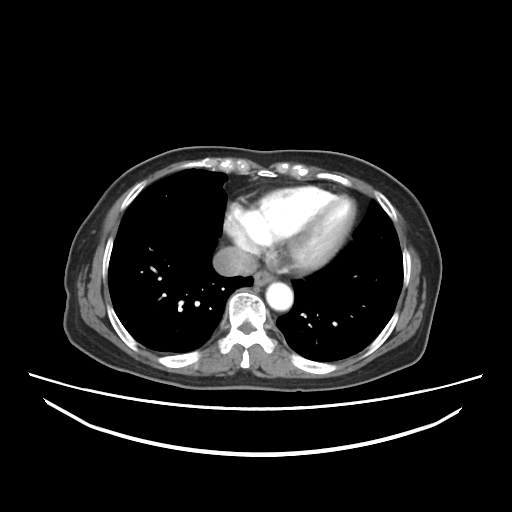
Abdominal CT; this slice is in the lower chest, just above the liver. axial view. soft-tissue window. scan has 15 labeled organs (that count is for the whole scan; organs this slice misses have no box)
No part of the heart or lungs is labeled in this dataset, so neither has a box here.
<organs><organ name="inferior vena cava" x1="215" y1="247" x2="257" y2="275"/><organ name="aorta" x1="267" y1="283" x2="292" y2="310"/><organ name="esophagus" x1="253" y1="269" x2="275" y2="288"/></organs>